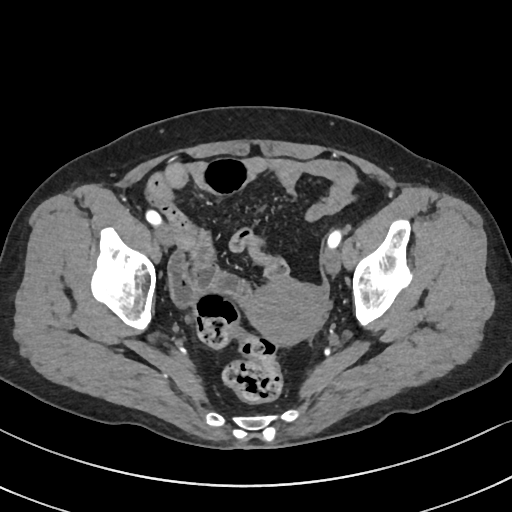

CT abdomen · Axial slice 47/294 · 512x512 px
Each box given as x1,y1,x2,y2.
prostate/uterus: x1=245, y1=279, x2=326, y2=345